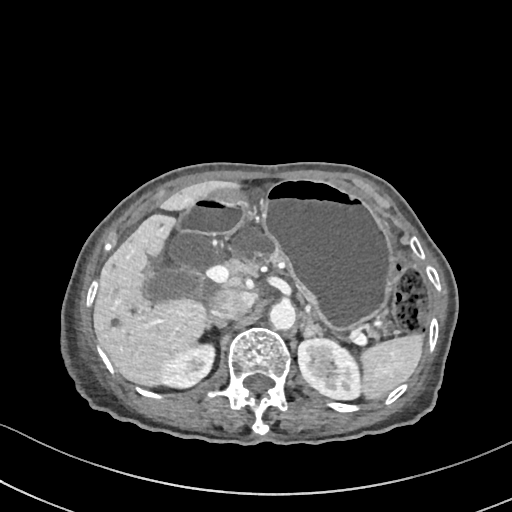

Abdominal CT · axial plane, index 178 · 512x512 px
Bounding boxes in pixels, one row per box: x1, y1 is the top-left corner and x2, y2 the bottom-right.
| organ | x1 | y1 | x2 | y2 |
|---|---|---|---|---|
| spleen | 360 | 332 | 425 | 401 |
| right kidney | 163 | 343 | 214 | 387 |
| left kidney | 298 | 337 | 360 | 401 |
| gall bladder | 146 | 270 | 200 | 303 |
| liver | 93 | 181 | 259 | 388 |
| stomach | 212 | 179 | 398 | 333 |
| aorta | 268 | 301 | 295 | 330 |
| inferior vena cava | 210 | 289 | 256 | 321 |
| pancreas | 228 | 220 | 282 | 264 |
| right adrenal gland | 207 | 319 | 231 | 332 |
| left adrenal gland | 304 | 317 | 321 | 338 |
| duodenum | 177 | 197 | 245 | 234 |